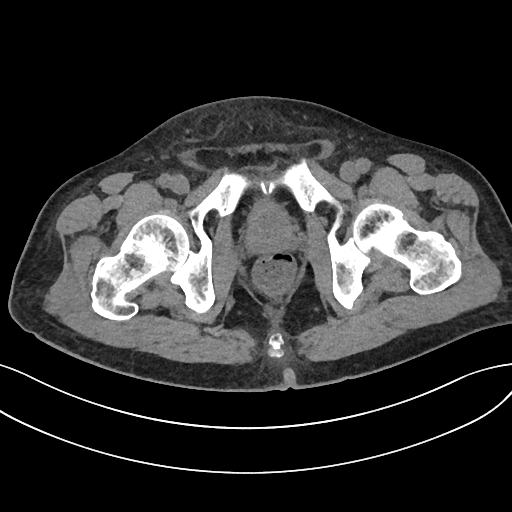

CT, abdomen/pelvis. axial view
Boxes are (x1, y1, x2, y2) in pixels.
bladder: (253, 198, 279, 211)
prostate/uterus: (246, 208, 293, 252)